Abdominal CT. axial view. soft-tissue window (W 400 / L 40). scan has 14 labeled organs (a whole-scan count: organs this slice does not pass through have no box)
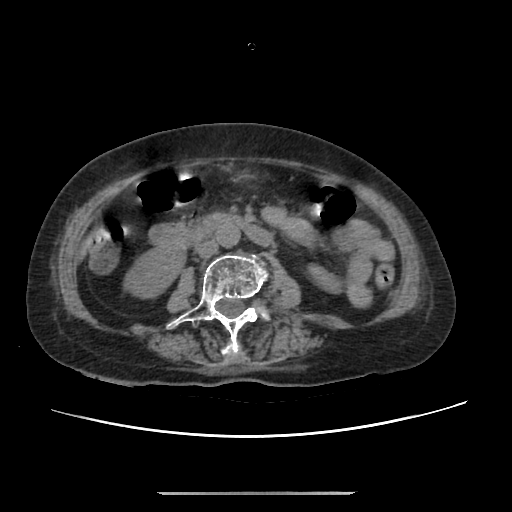

Box edges are left/top/right/bottom in pixels. Labeled organs on this slice: inferior vena cava at left=196, top=240, right=218, bottom=257, right kidney at left=128, top=248, right=182, bottom=296, aorta at left=216, top=224, right=240, bottom=247, duodenum at left=152, top=215, right=270, bottom=247.